Computed tomography, abdomen · axial plane, index 128
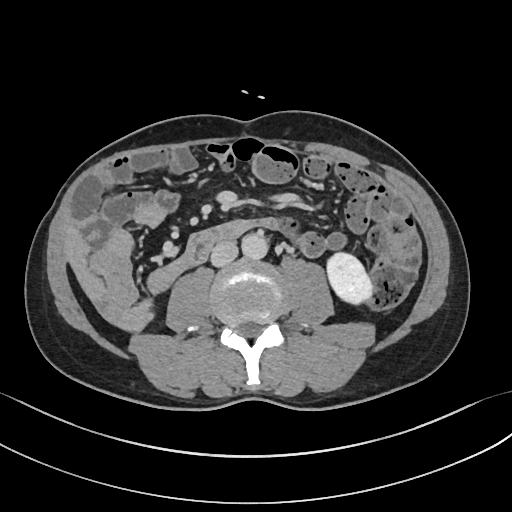

One row per box, in pixels: columns x1 and y1 give the top-left corner, x2 and y2 the bottom-right.
| organ | x1 | y1 | x2 | y2 |
|---|---|---|---|---|
| aorta | 241 | 232 | 268 | 259 |
| inferior vena cava | 211 | 241 | 238 | 267 |
| left kidney | 326 | 252 | 372 | 304 |
| right kidney | 145 | 312 | 155 | 322 |